Abdominal CT. axial view. SOMATOM Force scanner. 15 organs annotated in this scan (a whole-scan count: organs this slice does not pass through have no box)
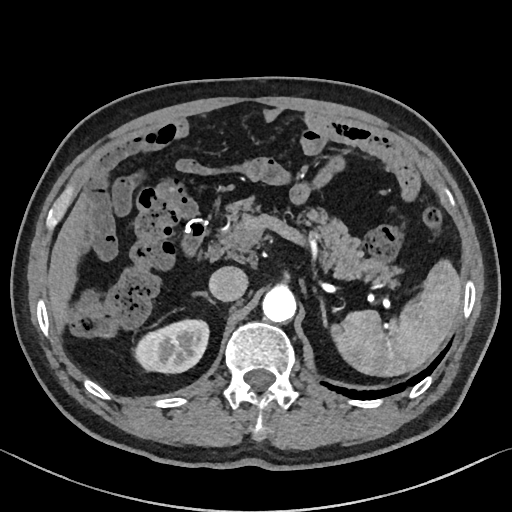

Bounding boxes as [x1, y1, x2, y2] in pixel coordinates. The annotated organs in this slice are: spleen at [331, 262, 461, 377], right kidney at [135, 319, 209, 373], liver at [48, 194, 85, 330], aorta at [262, 287, 295, 323], inferior vena cava at [208, 266, 248, 301], pancreas at [207, 199, 399, 286], right adrenal gland at [194, 291, 204, 293], left adrenal gland at [320, 305, 328, 328], duodenum at [183, 218, 207, 256].